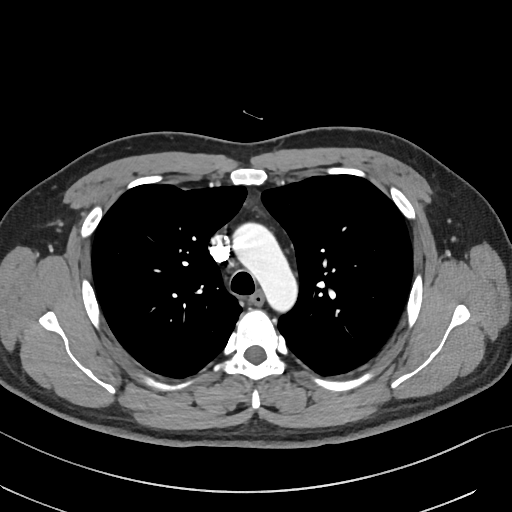 CT of the abdomen extending into the chest, slice through the chest · axial view · W/L 400/40 HU · scan has 15 labeled organs (counted over the whole 3D scan, not this slice; an organ is boxed only where this slice passes through it)
At this level of the chest this dataset labels only the esophagus and the aorta, and each is boxed only where it is labeled; the heart and lungs are never labeled.
<organs><organ name="esophagus" x1="250" y1="291" x2="263" y2="305"/><organ name="aorta" x1="233" y1="222" x2="297" y2="312"/></organs>